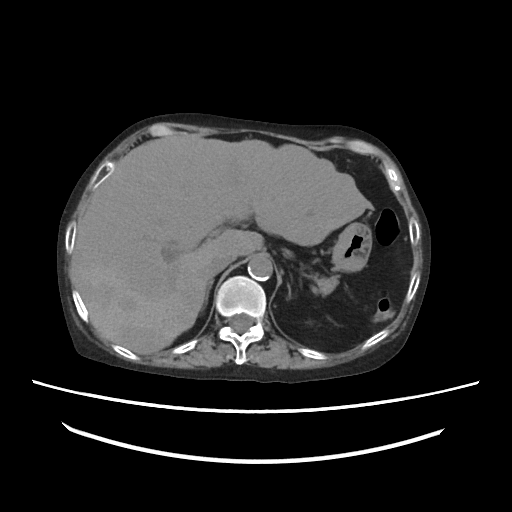
Abdominal CT · axial view
Bounding boxes in pixels, one row per box: x1, y1 is the top-left corner and x2, y2 the bottom-right.
| organ | x1 | y1 | x2 | y2 |
|---|---|---|---|---|
| liver | 71 | 134 | 372 | 354 |
| stomach | 332 | 222 | 372 | 271 |
| aorta | 248 | 255 | 272 | 280 |
| inferior vena cava | 208 | 251 | 235 | 275 |
| pancreas | 315 | 275 | 338 | 294 |
| right adrenal gland | 202 | 277 | 213 | 308 |
| left adrenal gland | 288 | 285 | 291 | 298 |